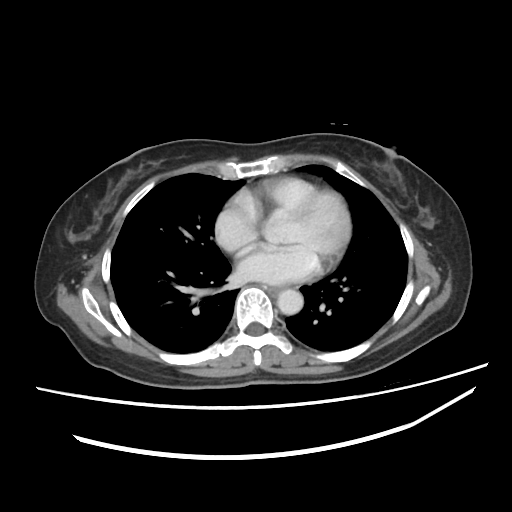

CT of the abdomen reaching into the lower chest, slice just above the liver and spleen — Axial slice 93/118 — 512x512 px — 54-year-old female patient
Of the structures in the chest, this dataset labels only the esophagus, the aorta and the inferior vena cava; the heart and lungs have no label.
{"organs":{"esophagus":[266,286,281,294],"aorta":[277,289,303,315]}}